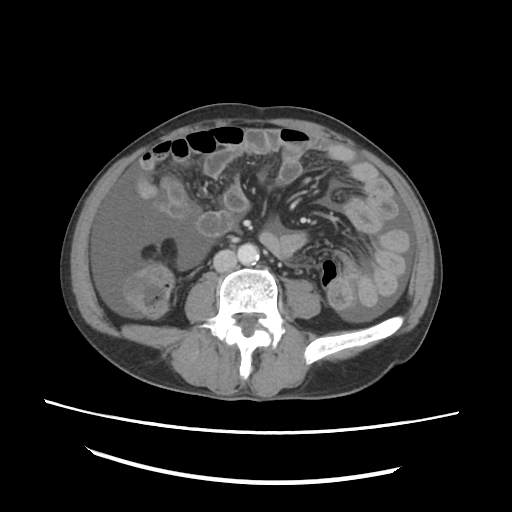 CT abdomen. axial view. soft-tissue window (W 400 / L 40)
<organs><organ name="aorta" x1="237" y1="243" x2="259" y2="264"/><organ name="inferior vena cava" x1="213" y1="249" x2="237" y2="272"/></organs>